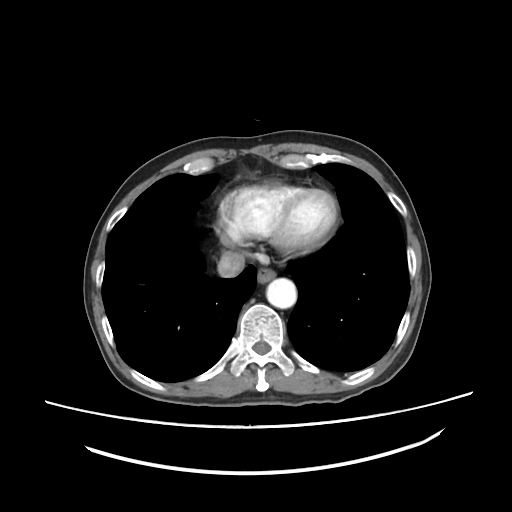 Lower-chest slice from an abdominal CT, just above the liver and spleen — axial view — 512x512 px — 68-year-old male patient
No part of the heart or lungs is labeled in this dataset, so neither has a box here.
Bounding boxes in pixels, one row per box: x1, y1 is the top-left corner and x2, y2 the bottom-right.
| organ | x1 | y1 | x2 | y2 |
|---|---|---|---|---|
| inferior vena cava | 217 | 251 | 244 | 277 |
| aorta | 266 | 278 | 296 | 308 |
| esophagus | 257 | 267 | 275 | 283 |